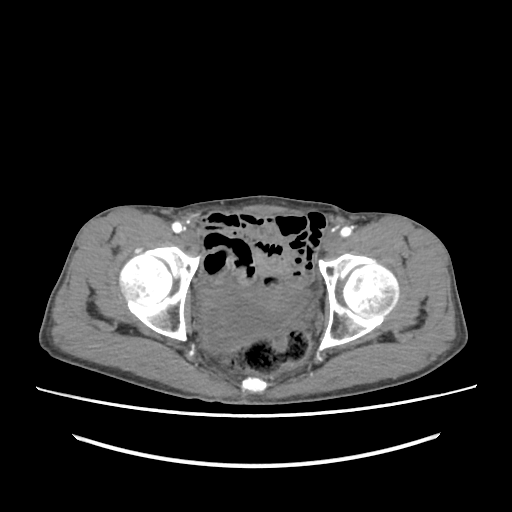 CT, abdomen/pelvis · axial plane, index 15 · 512x512 px · 62-year-old male patient
Boxes: x1:y1:x2:y2 in pixels.
Organ bounding boxes:
- bladder: 199:288:309:351